CT abdomen; Axial slice 111/298; 512x512 px
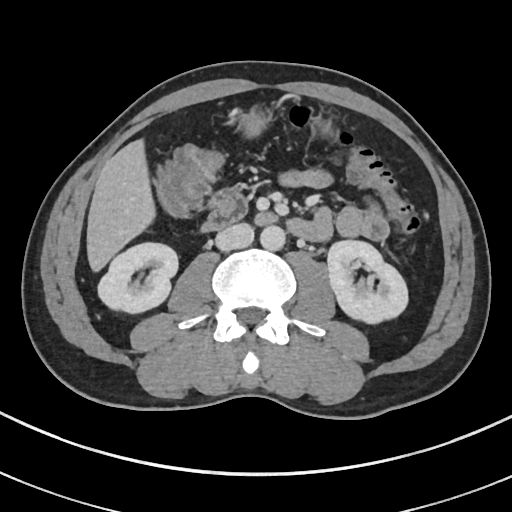 Coordinates as <box>x1,y1,x2,y2</box> in pixels.
aorta: <box>259,225,285,250</box>
right kidney: <box>97,242,178,314</box>
stomach: <box>241,108,339,134</box>
duodenum: <box>201,190,316,239</box>
inferior vena cava: <box>215,225,254,251</box>
left kidney: <box>328,240,408,326</box>
liver: <box>86,137,153,272</box>